Abdominal CT; this slice is in the lower chest, just above the liver · axial view · soft-tissue window, W/L 400/40 · 512x512 px · 15 organs annotated in this scan (counted over the whole 3D scan, not this slice; an organ is boxed only where this slice passes through it)
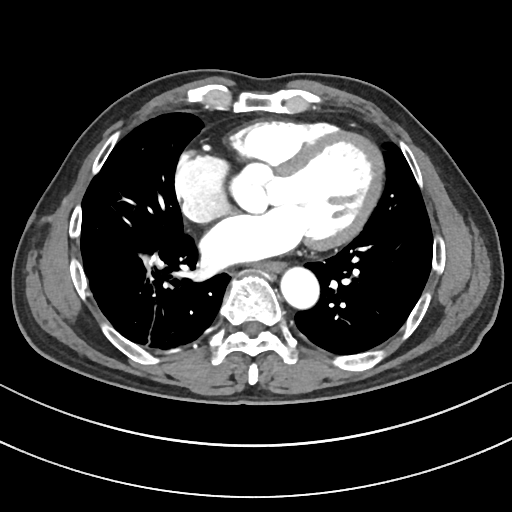

Of the structures in the chest, this dataset labels only the esophagus, the aorta and the inferior vena cava; the heart and lungs have no label.
Bounding boxes as [x1, y1, x2, y2] in pixel coordinates.
esophagus: [258, 261, 284, 272]
aorta: [280, 267, 319, 308]